CT abdomen; axial view; soft-tissue window (W 400 / L 40); SOMATOM Force scanner
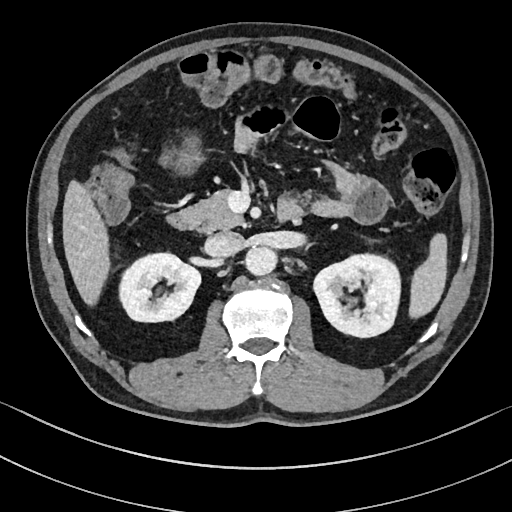

Boxes: x1 y1 x2 y2 (pixel coords, space-separated).
duodenum: 166 200 302 231
left kidney: 313 254 400 337
inferior vena cava: 205 231 243 257
right kidney: 119 253 200 322
spleen: 408 233 447 318
aorta: 245 247 277 275
liver: 63 180 109 305
pancreas: 181 189 244 230